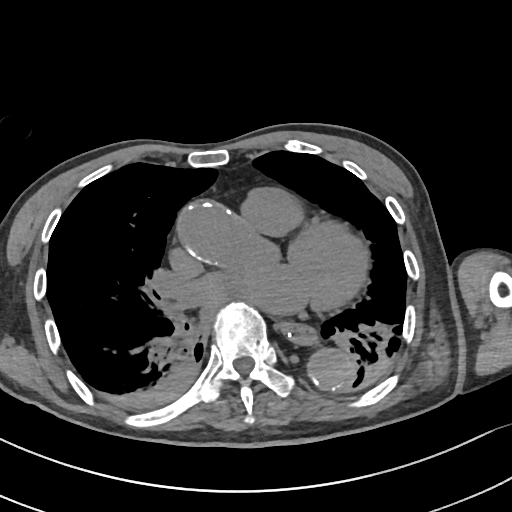 Abdominal CT; this slice is in the lower chest, just above the liver; axial view; 512x512 px
The heart and lungs are never labeled in this dataset, so they have no box on this slice. Coordinates as <box>x1,y1,x2,y2</box> in pixels. 2 labeled organs on this slice — esophagus at <box>280,321,316,344</box>; aorta at <box>308,351,354,389</box>.